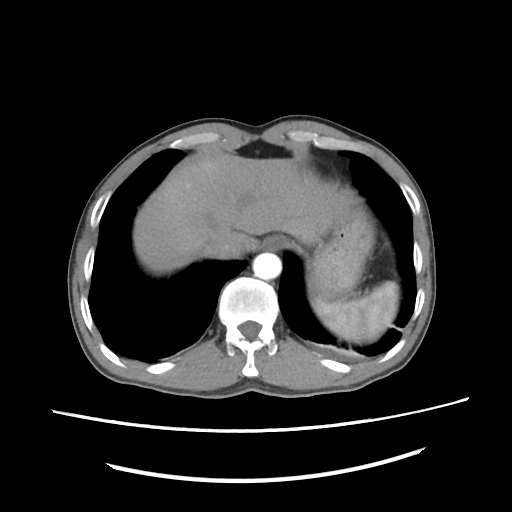

Abdominal CT · axial view · W/L 400/40 HU · 55-year-old male patient
{"organs":{"spleen":[310,282,398,344],"stomach":[312,215,372,300],"liver":[134,152,359,272],"aorta":[253,252,282,281],"inferior vena cava":[201,234,247,258],"esophagus":[262,234,288,249]}}